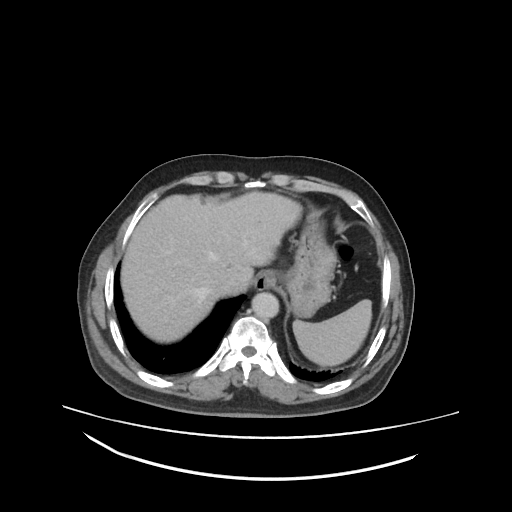

Abdominal CT; axial plane, index 75; soft-tissue window (W 400 / L 40)
Boxes: x1 y1 x2 y2 (pixel coords, space-separated). Labeled organs on this slice: aorta at 252 292 279 318, liver at 120 190 302 343, esophagus at 255 272 276 292, stomach at 285 214 335 316, inferior vena cava at 217 278 242 296, spleen at 293 300 371 365.